Abdominal CT. axial view. W/L 400/40 HU. 512x512 px. scan has 15 labeled organs (counted over the whole 3D scan, not this slice; an organ is boxed only where this slice passes through it)
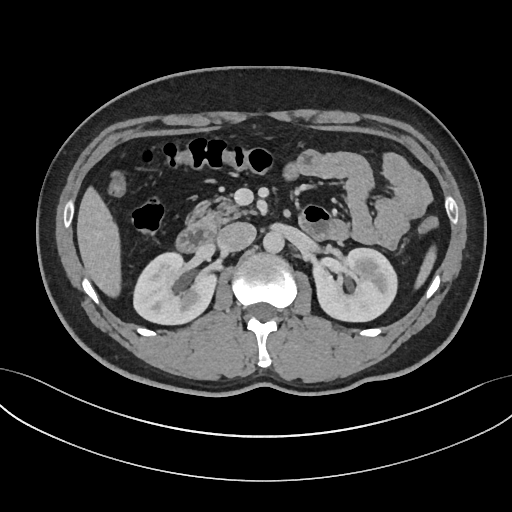 {"organs":{"liver":[77,187,120,297],"inferior vena cava":[217,222,256,251],"left kidney":[313,248,397,321],"duodenum":[176,226,217,252],"pancreas":[186,196,252,226],"right kidney":[133,252,216,324],"spleen":[415,246,436,288],"aorta":[263,231,284,253]}}